CT of the abdomen reaching into the lower chest, slice just above the liver and spleen. Axial slice 190/191. soft-tissue window, W/L 400/40
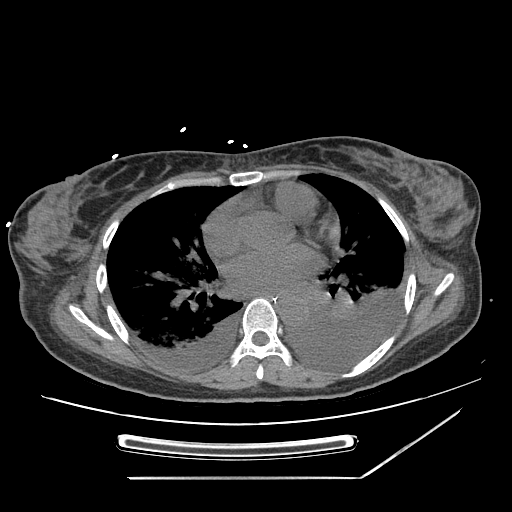

No part of the heart or lungs is labeled in this dataset, so neither has a box here.
{"organs":{"esophagus":[268,293,283,305],"aorta":[276,294,307,326]}}